CT abdomen; axial view; W/L 400/40 HU; 768x768 px
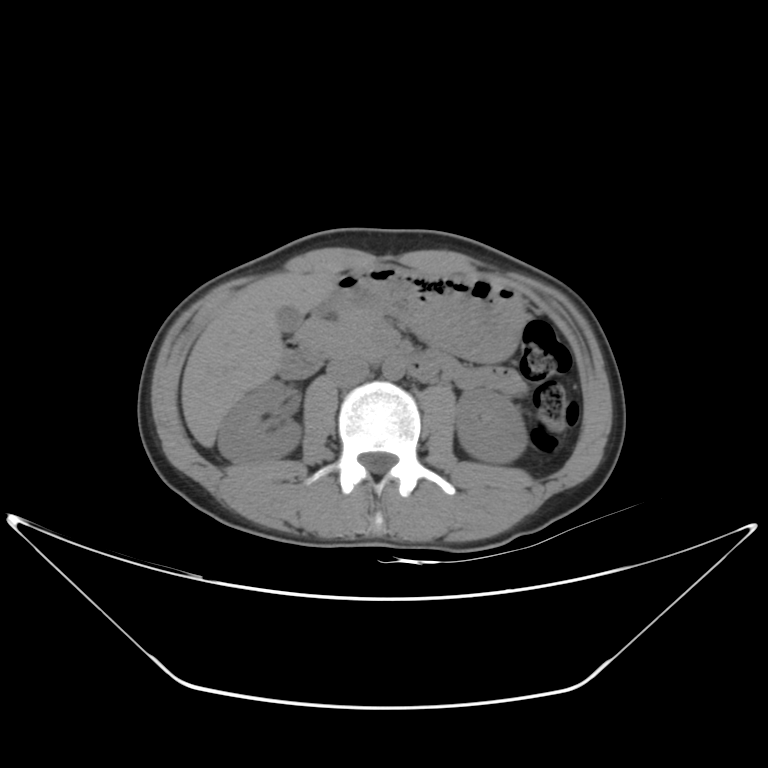
Bounding boxes as [x1, y1, x2, y2] in pixel coordinates.
Organ bounding boxes:
- aorta: [383, 357, 406, 380]
- right kidney: [218, 380, 301, 465]
- duodenum: [279, 304, 441, 382]
- pancreas: [295, 311, 383, 355]
- left kidney: [454, 388, 526, 463]
- inferior vena cava: [326, 356, 369, 386]
- liver: [181, 270, 341, 446]
- stomach: [328, 266, 525, 362]
- gall bladder: [276, 305, 303, 334]